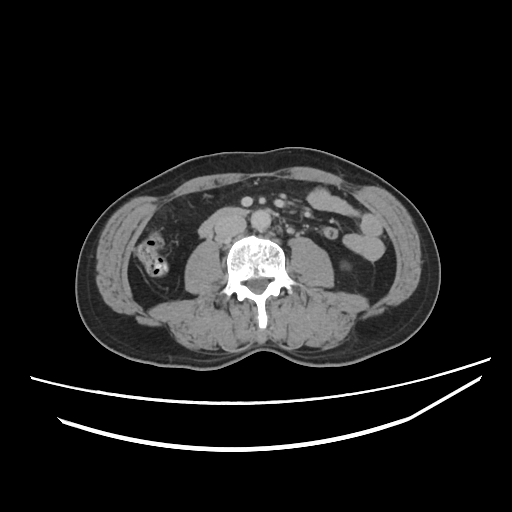
CT abdomen. axial plane, index 61. 512x512 px. 58-year-old male patient. 15 organs annotated in this scan (counted over the whole 3D scan, not this slice; an organ is boxed only where this slice passes through it)
Boxes: x1:y1:x2:y2 in pixels.
duodenum: 199:207:249:238
aorta: 251:209:270:228
inferior vena cava: 214:215:245:237
left kidney: 345:264:346:265